Abdominal CT — axial plane, index 19 — W/L 400/40 HU — 768x768 px — 39-year-old female patient — acquired on Brilliance16
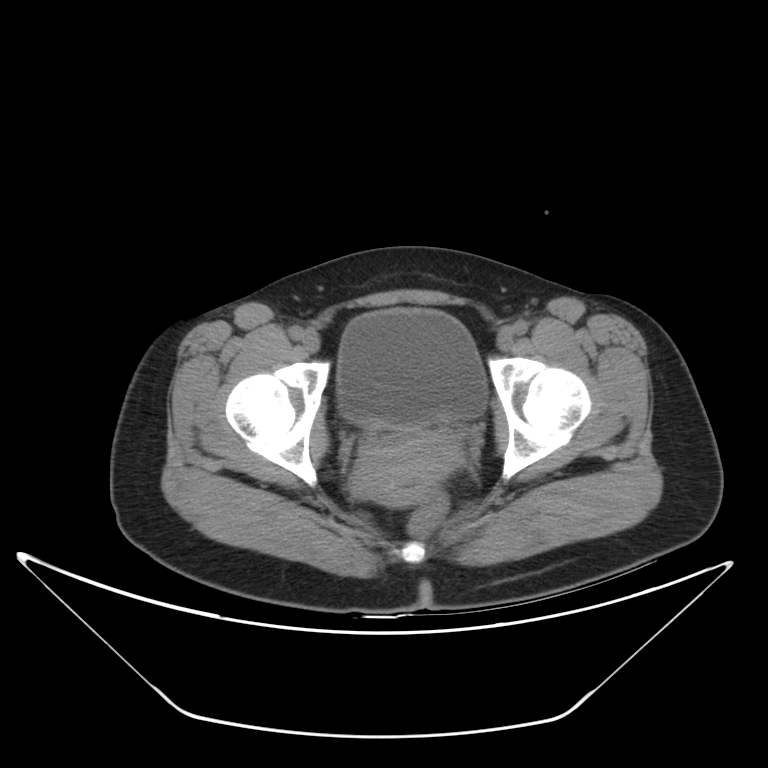 {"organs":{"prostate/uterus":[351,431,460,507],"bladder":[337,309,488,425]}}